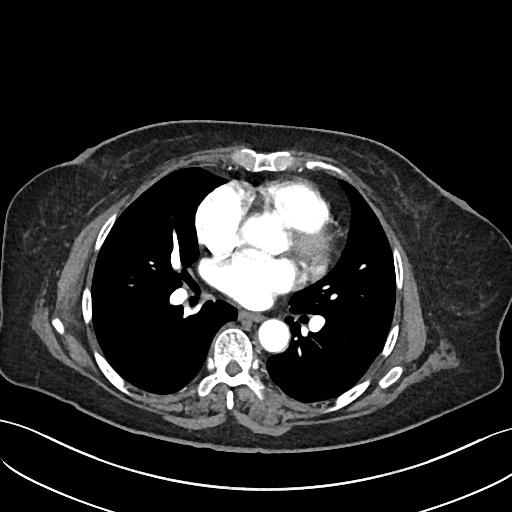

Abdominal CT reaching into the chest; this slice is in the chest — axial plane, index 209
On a slice this high in the chest, this dataset labels only the esophagus and the aorta, and each is boxed only where it is labeled; the heart, lungs and other chest structures are not labeled.
Bounding boxes as [x1, y1, x2, y2] in pixel coordinates.
aorta: [258, 319, 289, 352]
esophagus: [240, 312, 262, 321]